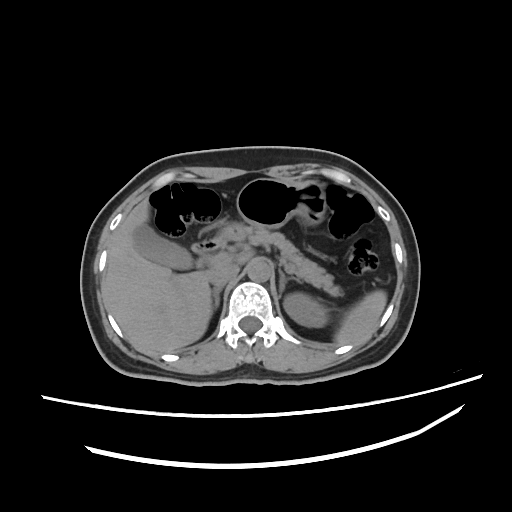

Computed tomography, abdomen; axial view
{"organs":{"spleen":[335,290,386,346],"left kidney":[282,293,326,328],"gall bladder":[134,223,192,270],"liver":[101,202,255,354],"stomach":[217,178,326,242],"aorta":[245,257,273,281],"inferior vena cava":[209,263,238,287],"pancreas":[226,230,342,297],"right adrenal gland":[212,286,221,306],"left adrenal gland":[279,269,300,297],"duodenum":[191,238,225,251]}}